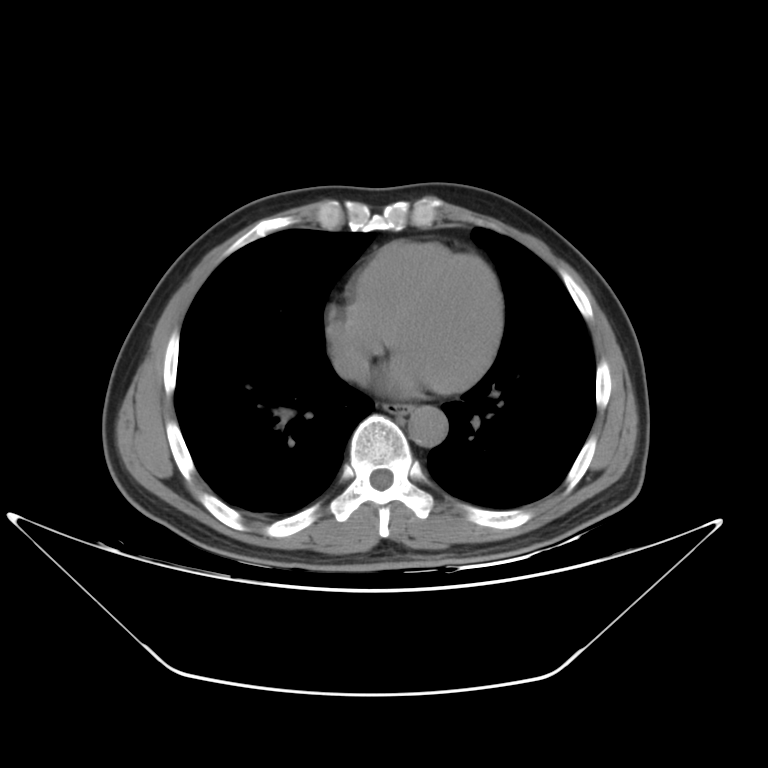

Lower-chest slice from an abdominal CT, just above the liver and spleen — axial view — soft-tissue window (W 400 / L 40) — 768x768 px — Brilliance16 scanner
Of the structures in the chest, this dataset labels only the esophagus, the aorta and the inferior vena cava; the heart and lungs have no label.
Organ boxes in pixel coordinates; each row gives the top-left (x1, y1) and bottom-right (x2, y2) corners.
| organ | x1 | y1 | x2 | y2 |
|---|---|---|---|---|
| aorta | 409 | 405 | 448 | 446 |
| esophagus | 383 | 404 | 414 | 414 |
| inferior vena cava | 331 | 350 | 369 | 388 |